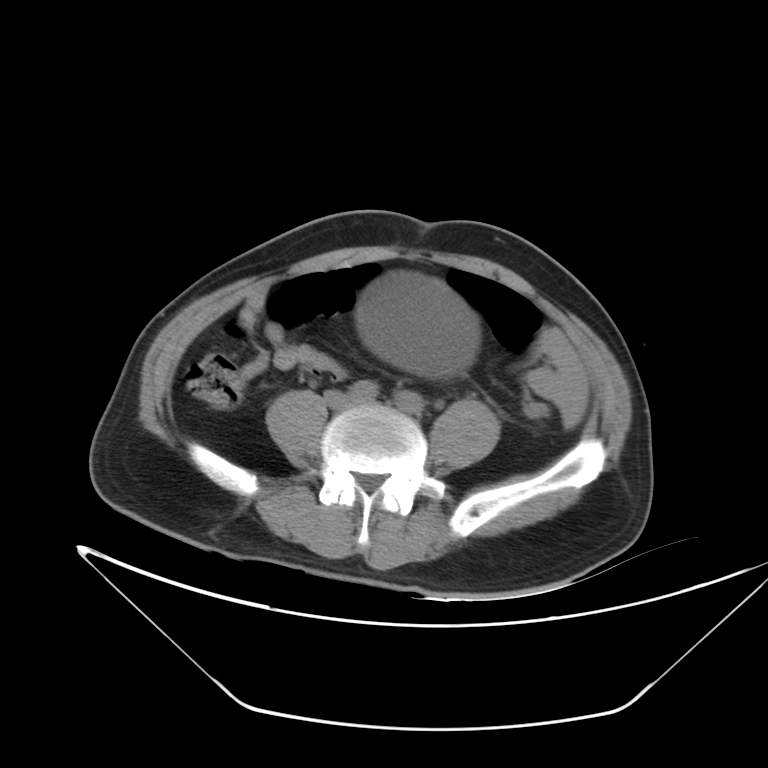
CT, abdomen/pelvis; axial plane, index 46; soft-tissue window (W 400 / L 40); 768x768 px; 47-year-old male patient
<organs><organ name="bladder" x1="360" y1="275" x2="479" y2="373"/></organs>